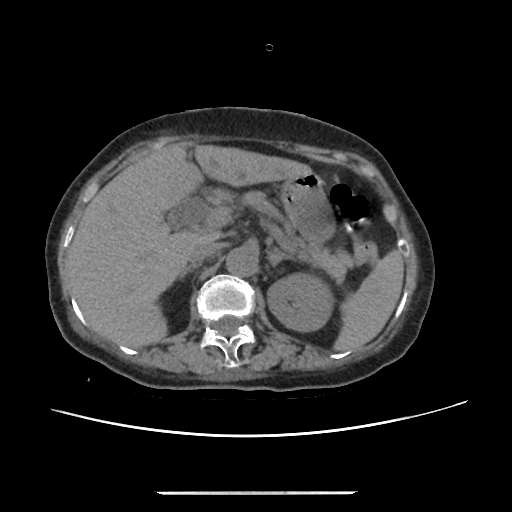
CT, abdomen/pelvis — axial view
Bounding boxes as [x1, y1, x2, y2] in pixel coordinates.
Organ bounding boxes:
- spleen: [334, 250, 403, 351]
- left kidney: [267, 273, 333, 331]
- liver: [67, 143, 312, 348]
- stomach: [280, 174, 334, 243]
- aorta: [226, 247, 257, 276]
- inferior vena cava: [188, 242, 220, 267]
- pancreas: [214, 190, 353, 281]
- right adrenal gland: [179, 267, 192, 278]
- left adrenal gland: [268, 248, 283, 265]